Lower-chest slice from an abdominal CT, just above the liver and spleen. axial view
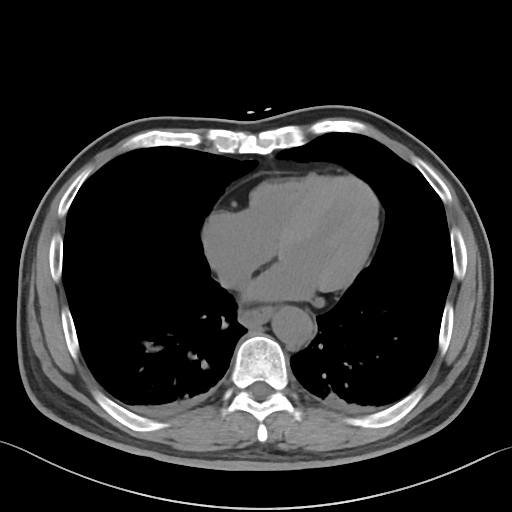

The heart and lungs are never labeled in this dataset, so they have no box on this slice.
Boxes: x1 y1 x2 y2 (pixel coords, space-separated).
aorta: 272 306 313 347
esophagus: 240 306 273 327